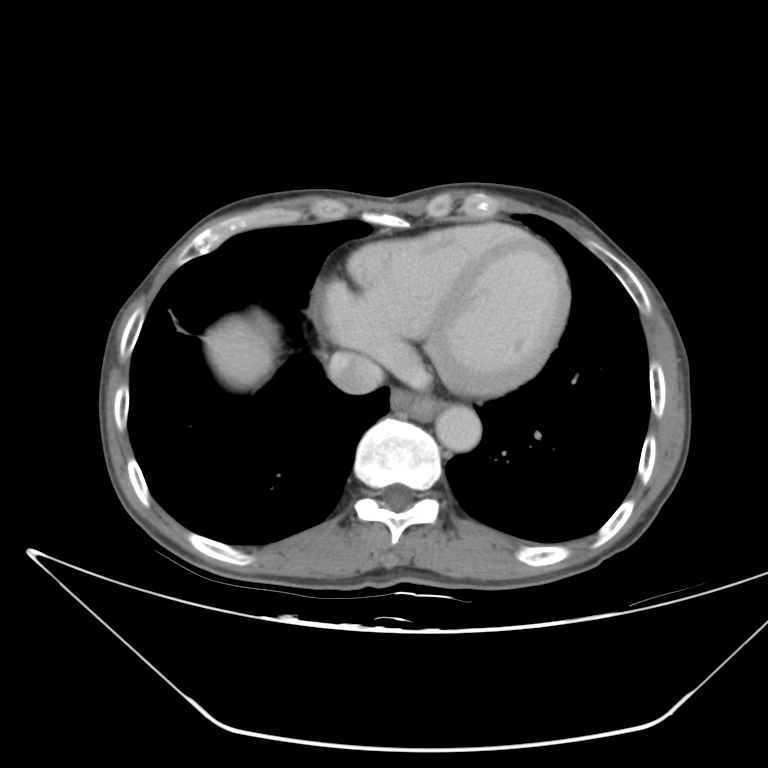
CT abdomen · axial plane, index 57 · abdomen soft-tissue window · 768x768 px · 62-year-old male patient · Brilliance16 scanner
Organ boxes in pixel coordinates; each row gives the top-left (x1, y1) and bottom-right (x2, y2) corners.
| organ | x1 | y1 | x2 | y2 |
|---|---|---|---|---|
| aorta | 436 | 406 | 482 | 452 |
| inferior vena cava | 327 | 352 | 385 | 393 |
| liver | 203 | 317 | 275 | 387 |
| esophagus | 392 | 388 | 441 | 419 |